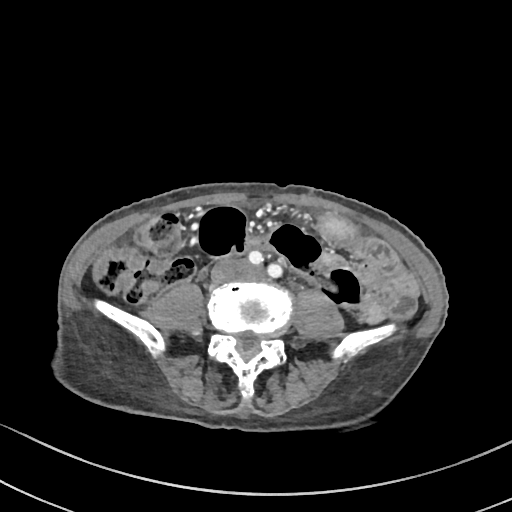
Computed tomography, abdomen; axial view; 512x512 px
<organs><organ name="gall bladder" x1="116" y1="276" x2="131" y2="291"/></organs>